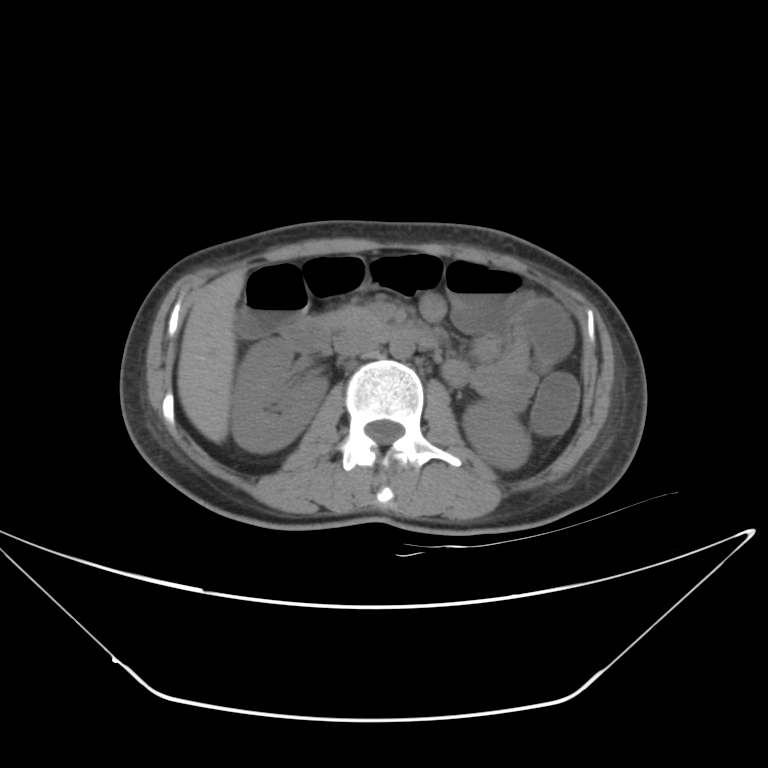
Computed tomography, abdomen; Axial slice 62/84; soft-tissue window (W 400 / L 40); 32-year-old female patient; scan has 15 labeled organs (that count is for the whole scan; organs this slice misses have no box)
<organs><organ name="liver" x1="177" y1="272" x2="244" y2="443"/><organ name="pancreas" x1="318" y1="307" x2="377" y2="330"/><organ name="aorta" x1="390" y1="336" x2="414" y2="358"/><organ name="right kidney" x1="231" y1="337" x2="328" y2="452"/><organ name="inferior vena cava" x1="333" y1="331" x2="377" y2="355"/><organ name="duodenum" x1="282" y1="317" x2="438" y2="352"/><organ name="left kidney" x1="463" y1="402" x2="530" y2="469"/></organs>